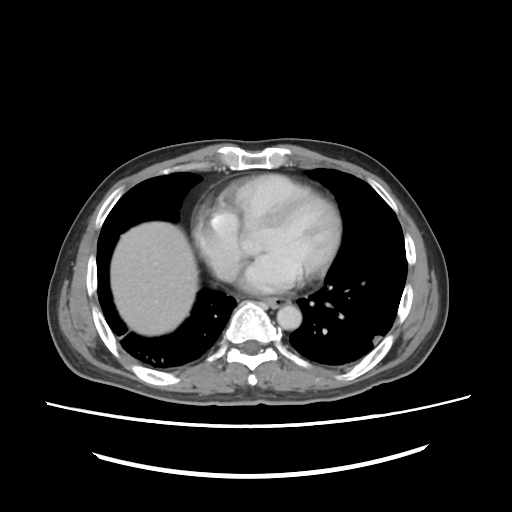
CT abdomen · axial view · W/L 400/40 HU · 512x512 px · 15 organs annotated in this scan (counted over the whole 3D scan, not this slice; an organ is boxed only where this slice passes through it)
Boxes: x1 y1 x2 y2 (pixel coords, space-separated). 3 labeled organs on this slice — esophagus at 268 300 289 306; liver at 109 221 196 333; aorta at 276 307 300 329.